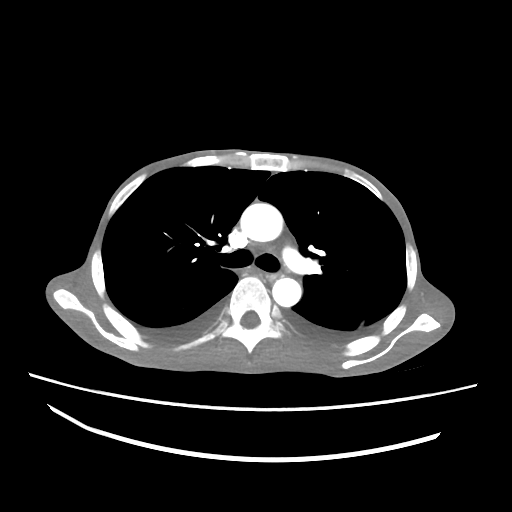 CT of the abdomen extending into the chest, slice through the chest · Axial slice 103/123 · 47-year-old male patient
At this level of the chest no structure but the esophagus and the aorta has a label in this dataset, and those two are boxed only where they are labeled.
<organs><organ name="esophagus" x1="265" y1="273" x2="277" y2="280"/><organ name="aorta" x1="240" y1="203" x2="282" y2="241"/><organ name="aorta" x1="272" y1="277" x2="301" y2="306"/></organs>